CT, abdomen/pelvis; axial view; 15 organs annotated in this scan (a whole-scan count: organs this slice does not pass through have no box)
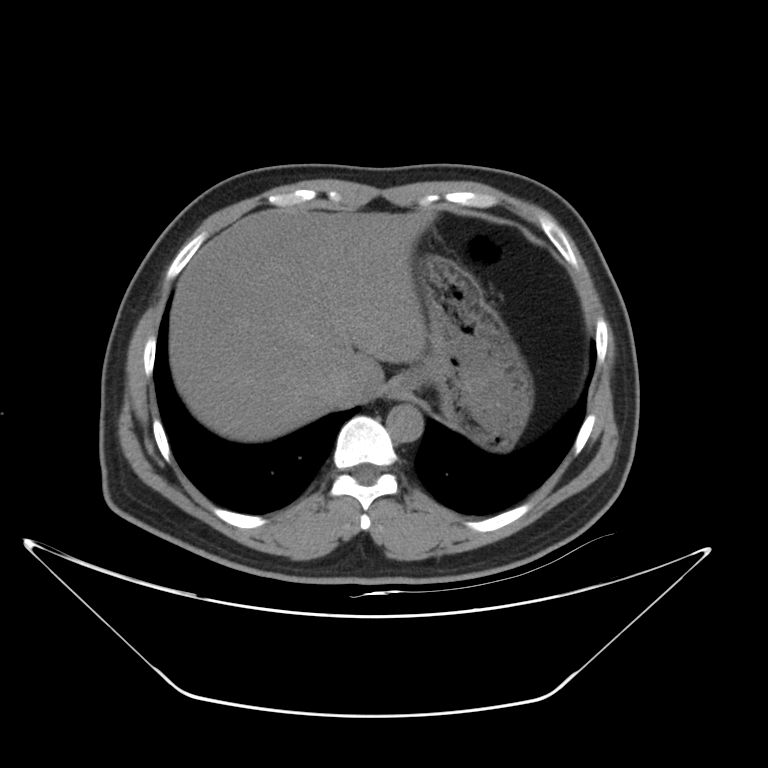

Box edges are left/top/right/bottom in pixels.
esophagus: left=388, top=372, right=413, bottom=397
liver: left=169, top=206, right=432, bottom=441
stomach: left=410, top=255, right=532, bottom=449
aorta: left=387, top=405, right=423, bottom=442
inferior vena cava: left=327, top=371, right=359, bottom=401